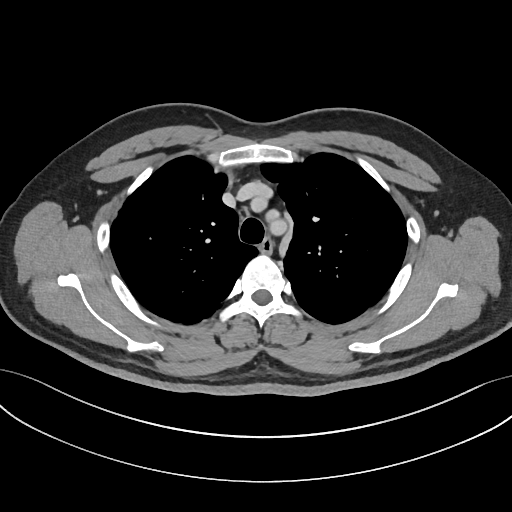
Chest-level CT slice, above the liver and spleen · Axial slice 310/345
At this level of the chest this dataset labels only the esophagus and the aorta, and each is boxed only where it is labeled; the heart and lungs are never labeled. Bounding boxes as [x1, y1, x2, y2] in pixel coordinates. The annotated organs in this slice are: esophagus at [258, 239, 273, 254], aorta at [263, 208, 285, 236].